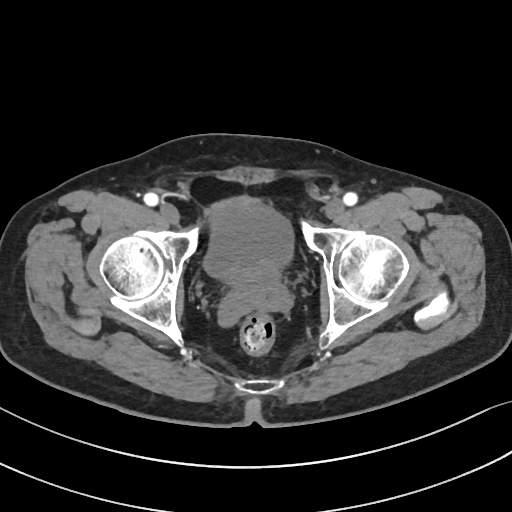

CT abdomen · axial view · soft-tissue window
Each box given as x1,y1,x2,y2. The annotated organs in this slice are: bladder at x1=203, y1=205, x2=294, y2=279, prostate/uterus at x1=228, y1=266, x2=277, y2=290.